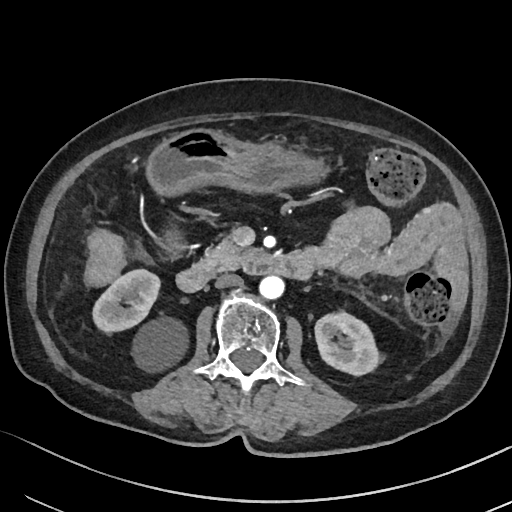 CT, abdomen/pelvis. axial plane, index 146. W/L 400/40 HU
Coordinates as <box>x1,y1,x2,y2</box> in pixels. The annotated organs in this slice are: right kidney at <box>93,269,188,370</box>, left kidney at <box>315,312,379,375</box>, stomach at <box>146,128,327,195</box>, aorta at <box>259,275,284,299</box>, inferior vena cava at <box>215,273,242,288</box>, pancreas at <box>198,237,257,270</box>, duodenum at <box>176,251,313,292</box>.